Abdominal MRI; axial view; 320x260 px
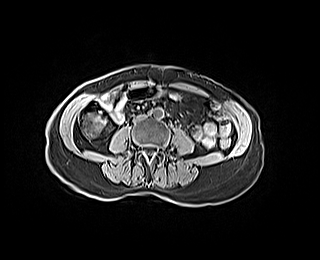 Box edges are left/top/right/bottom in pixels. 2 labeled organs on this slice — aorta at left=153, top=107, right=163, bottom=118; inferior vena cava at left=134, top=114, right=145, bottom=121.